CT abdomen — axial view — 61-year-old male patient — Aquilion ONE scanner
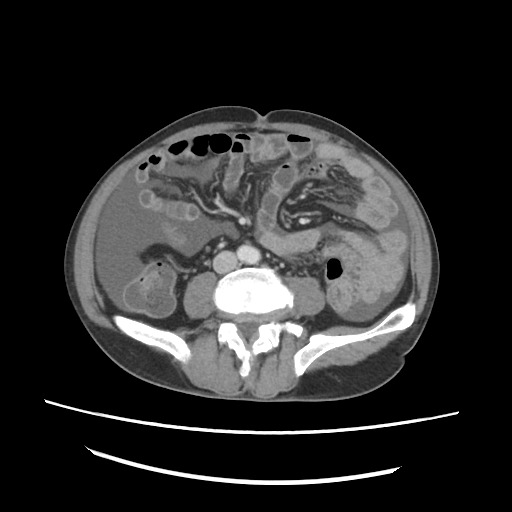

One row per box, in pixels: columns x1 and y1 give the top-left corner, x2 and y2 the bottom-right.
| organ | x1 | y1 | x2 | y2 |
|---|---|---|---|---|
| aorta | 237 | 245 | 260 | 263 |
| inferior vena cava | 213 | 251 | 237 | 273 |